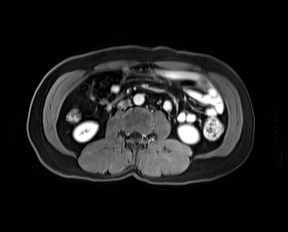 Magnetic resonance imaging, abdomen. axial view. 288x232 px. scan has 13 labeled organs (a whole-scan count: organs this slice does not pass through have no box)
Box edges are left/top/right/bottom in pixels. Labeled organs on this slice: left kidney at left=178, top=125, right=199, bottom=143, duodenum at left=106, top=104, right=111, bottom=110, right kidney at left=73, top=121, right=97, bottom=142, aorta at left=133, top=94, right=144, bottom=104, inferior vena cava at left=117, top=100, right=129, bottom=107.